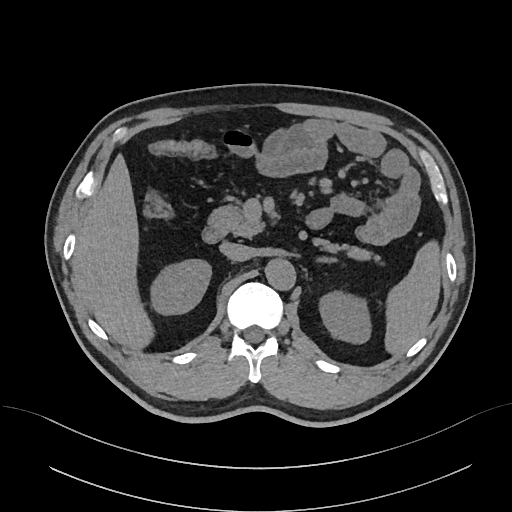 CT, abdomen/pelvis — axial view — W/L 400/40 HU — 512x512 px
{"organs":{"spleen":[385,240,441,354],"right kidney":[150,259,211,315],"left kidney":[319,291,371,343],"liver":[73,154,154,348],"aorta":[265,258,295,289],"inferior vena cava":[220,242,252,261],"pancreas":[208,205,376,260],"left adrenal gland":[317,257,335,262],"duodenum":[202,227,225,243]}}